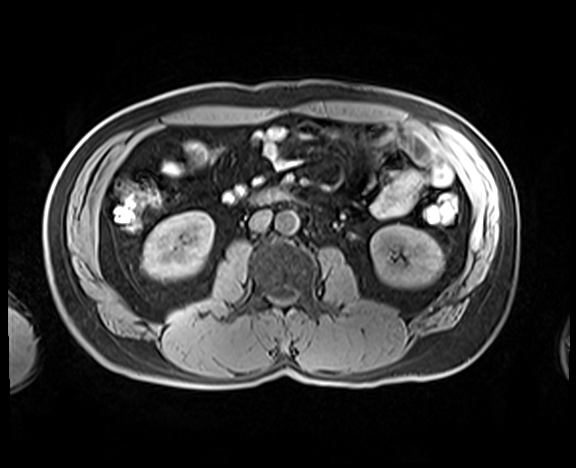

Abdominal MRI. axial view. 1st–99th percentile window
Bounding boxes in pixels, one row per box: x1, y1 is the top-left corner and x2, y2 the bottom-right.
| organ | x1 | y1 | x2 | y2 |
|---|---|---|---|---|
| left kidney | 370 | 225 | 444 | 288 |
| inferior vena cava | 249 | 210 | 271 | 231 |
| aorta | 275 | 211 | 298 | 234 |
| right kidney | 142 | 211 | 214 | 280 |
| duodenum | 251 | 188 | 291 | 204 |